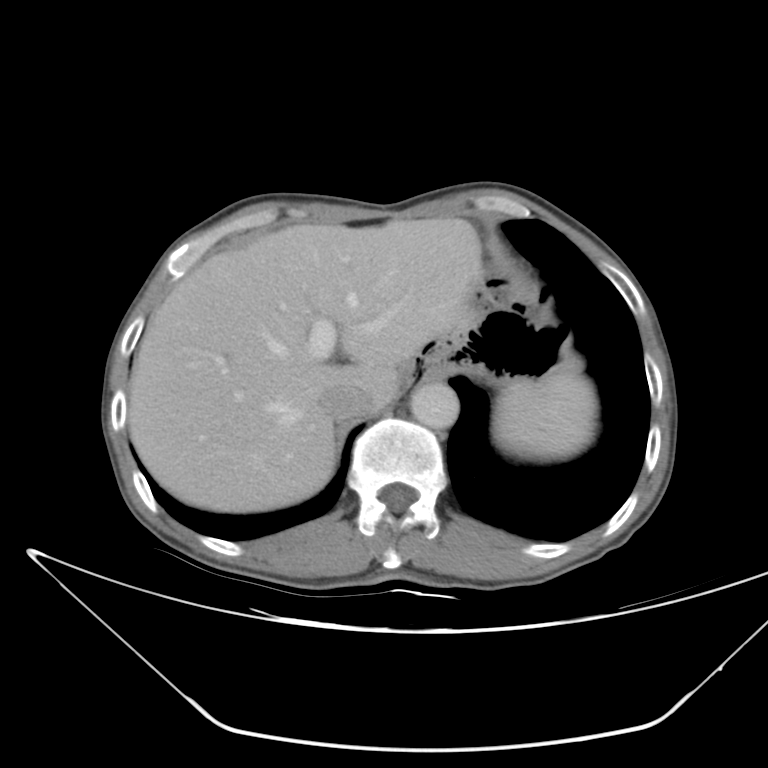
CT, abdomen/pelvis — Axial slice 50/104
Boxes: x1:y1:x2:y2 in pixels.
inferior vena cava: 316:388:371:420
liver: 129:214:480:511
stomach: 398:306:577:391
aorta: 410:382:459:428
spleen: 492:376:595:461